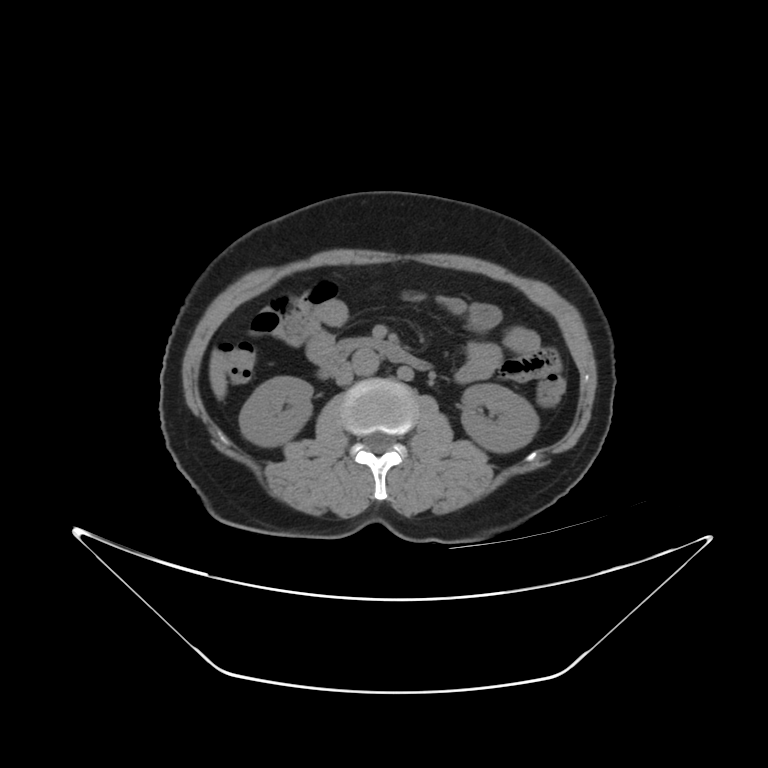
Abdominal CT — axial view — soft-tissue window — 56-year-old female patient — 15 organs annotated in this scan (that count is for the whole scan; organs this slice misses have no box)
<organs><organ name="right kidney" x1="241" y1="375" x2="310" y2="444"/><organ name="left kidney" x1="459" y1="385" x2="538" y2="450"/><organ name="liver" x1="207" y1="349" x2="226" y2="399"/><organ name="aorta" x1="350" y1="345" x2="379" y2="377"/><organ name="inferior vena cava" x1="335" y1="363" x2="352" y2="384"/><organ name="duodenum" x1="318" y1="337" x2="436" y2="379"/></organs>